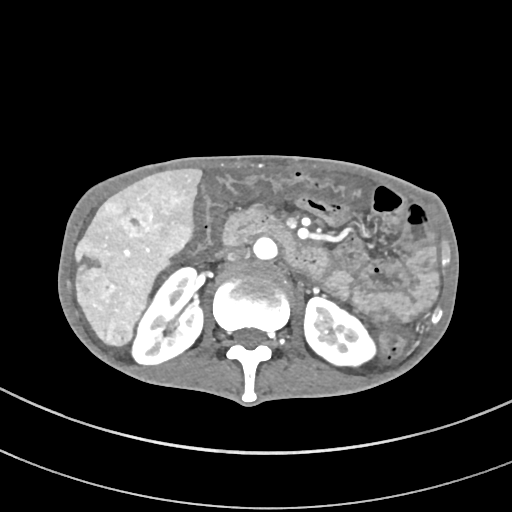
CT, abdomen/pelvis · axial plane, index 129 · soft-tissue window (W 400 / L 40) · acquired on SOMATOM Force
{"organs":{"right kidney":[132,267,202,364],"left kidney":[304,297,375,365],"liver":[76,169,203,345],"aorta":[253,236,277,259],"inferior vena cava":[226,246,249,261],"duodenum":[223,209,328,277]}}